CT abdomen; Axial slice 17/79; W/L 400/40 HU; 768x768 px; Brilliance16 scanner
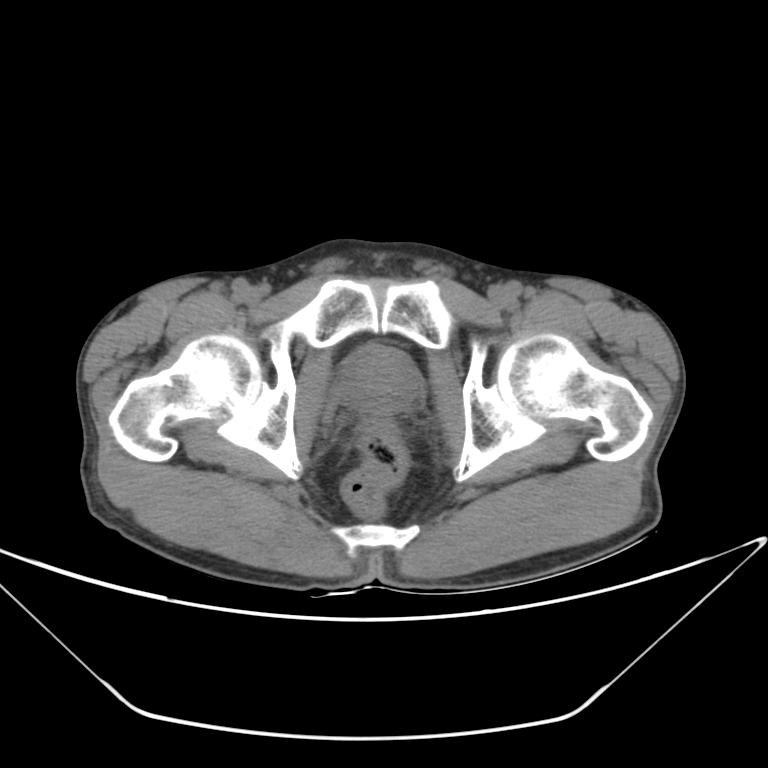
Box edges are left/top/right/bottom in pixels.
prostate/uterus: left=345, top=346, right=418, bottom=410